Abdominal CT; this slice is in the lower chest, just above the liver; axial view; soft-tissue window (W 400 / L 40); 512x512 px
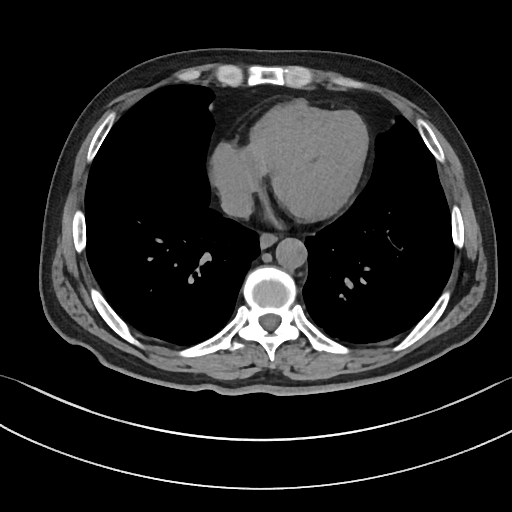 No part of the heart or lungs is labeled in this dataset, so neither has a box here.
One row per box, in pixels: columns x1 and y1 give the top-left corner, x2 and y2 the bottom-right.
| organ | x1 | y1 | x2 | y2 |
|---|---|---|---|---|
| esophagus | 260 | 231 | 278 | 247 |
| aorta | 275 | 237 | 306 | 268 |
| inferior vena cava | 220 | 188 | 253 | 218 |